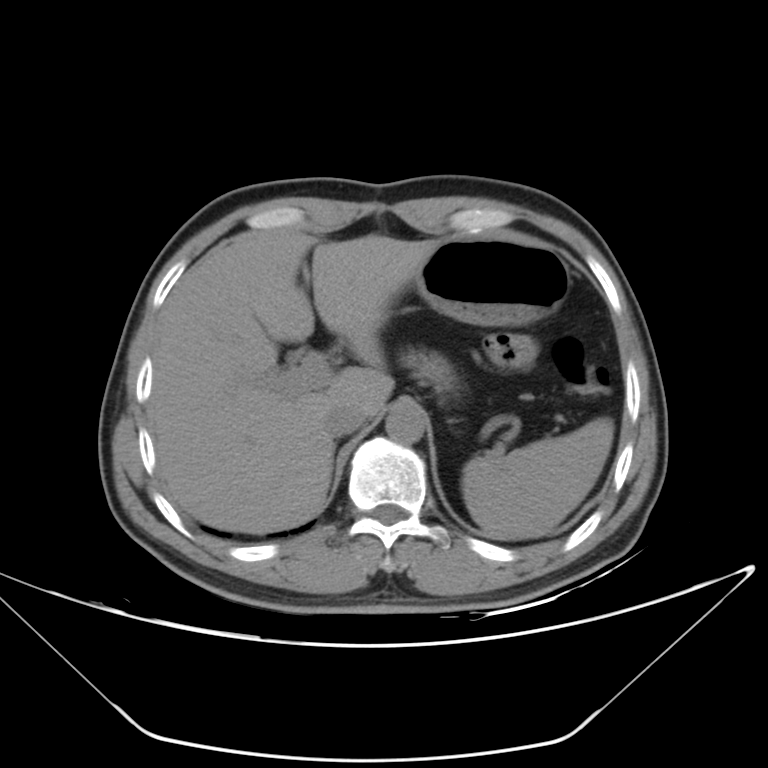
Abdominal CT. axial view. Brilliance16 scanner
Bounding boxes as [x1, y1, x2, y2] in pixel coordinates. The annotated organs in this slice are: spleen at [462, 417, 614, 539], liver at [148, 228, 439, 533], stomach at [411, 239, 569, 325], aorta at [385, 404, 426, 444], inferior vena cava at [324, 401, 365, 437], pancreas at [403, 350, 455, 390].